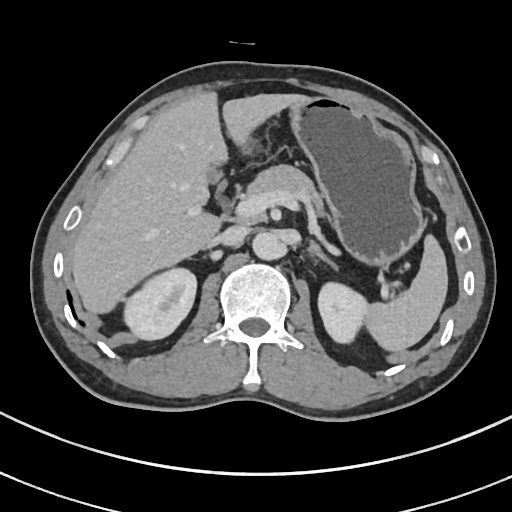

CT, abdomen/pelvis; axial view; acquired on SOMATOM Force
{"organs":{"pancreas":[234,163,325,222],"gall bladder":[204,164,221,183],"right kidney":[122,266,196,340],"stomach":[234,95,422,263],"aorta":[252,231,281,258],"liver":[72,91,300,313],"inferior vena cava":[217,226,248,247],"left adrenal gland":[311,241,336,266],"spleen":[366,233,448,351],"left kidney":[318,280,368,345]}}